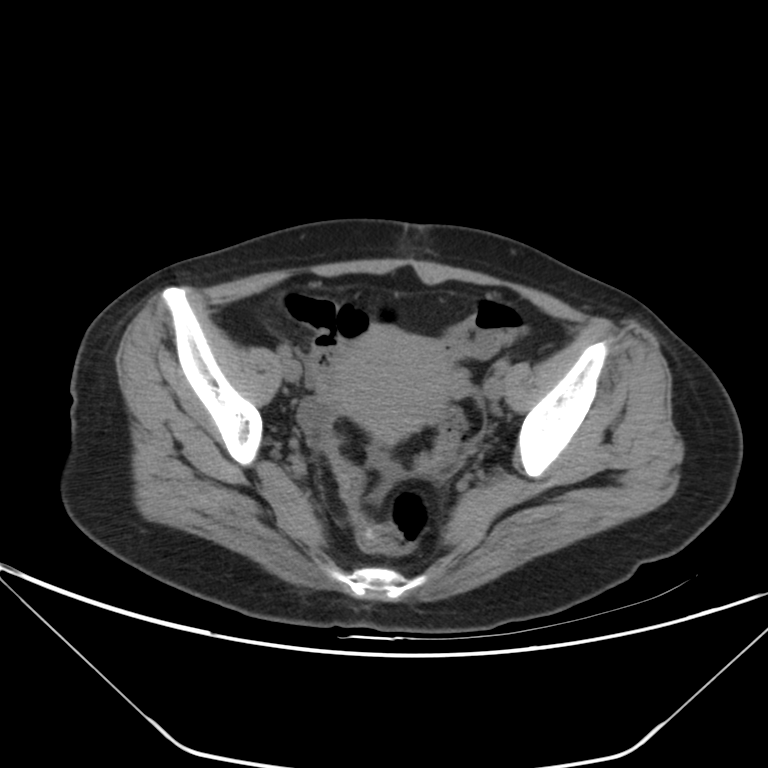 Computed tomography, abdomen — axial view — abdomen soft-tissue window — acquired on Brilliance16 — 15 organs annotated in this scan (that count is for the whole scan; organs this slice misses have no box)
Boxes: x1 y1 x2 y2 (pixel coords, space-separated).
Organ bounding boxes:
- prostate/uterus: 324 326 455 443